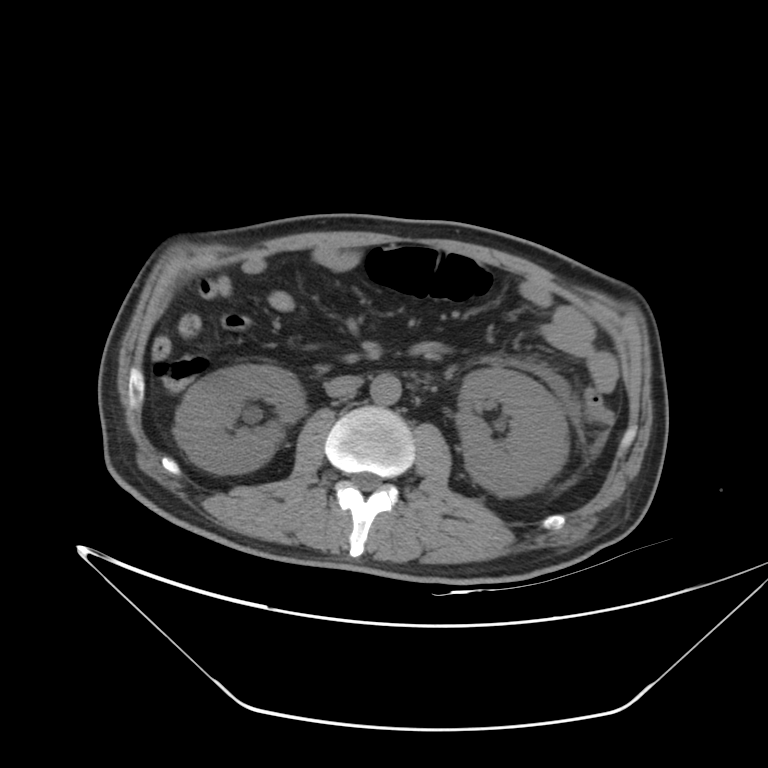 Abdominal CT; axial view; acquired on Brilliance16
Bounding boxes as [x1, y1, x2, y2] in pixel coordinates.
right kidney: [174, 365, 305, 473]
left kidney: [456, 367, 569, 496]
aorta: [370, 373, 401, 405]
inferior vena cava: [324, 375, 362, 397]